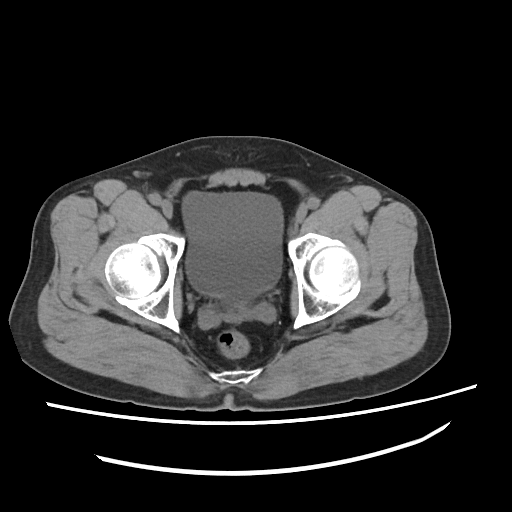

Abdominal CT. axial view. 512x512 px. Aquilion ONE scanner
Boxes are (x1, y1, x2, y2) in pixels.
Organ bounding boxes:
- bladder: (181, 191, 285, 300)